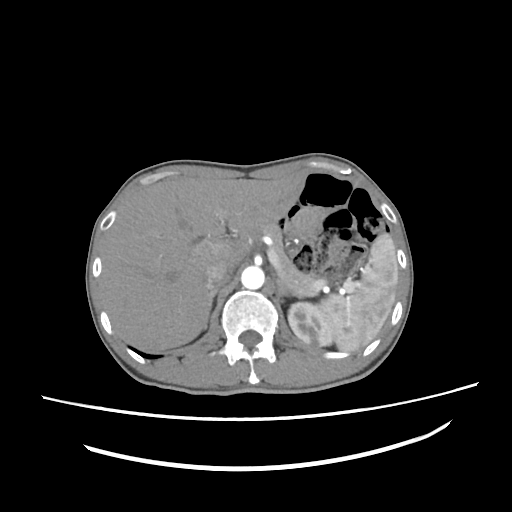

CT, abdomen/pelvis. axial view. soft-tissue window. 512x512 px. Aquilion ONE scanner
<organs><organ name="spleen" x1="319" y1="233" x2="398" y2="351"/><organ name="left kidney" x1="288" y1="302" x2="334" y2="347"/><organ name="liver" x1="99" y1="172" x2="306" y2="351"/><organ name="aorta" x1="241" y1="266" x2="264" y2="289"/><organ name="inferior vena cava" x1="205" y1="260" x2="234" y2="288"/><organ name="pancreas" x1="261" y1="224" x2="319" y2="296"/><organ name="right adrenal gland" x1="204" y1="289" x2="217" y2="329"/><organ name="left adrenal gland" x1="276" y1="279" x2="301" y2="302"/></organs>